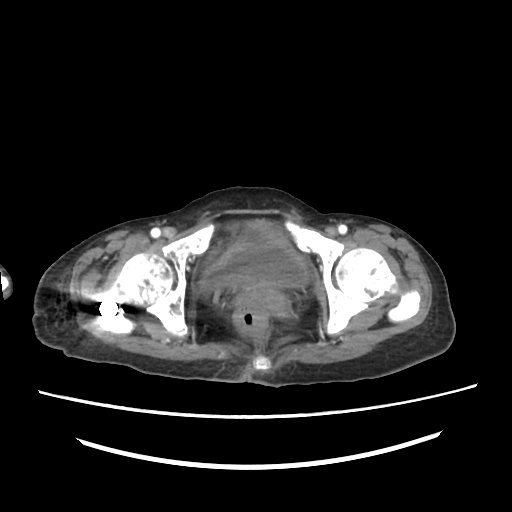 Computed tomography, abdomen · axial view
Boxes are (x1, y1, x2, y2) in pixels.
bladder: (201, 221, 308, 288)
prostate/uterus: (264, 291, 286, 311)